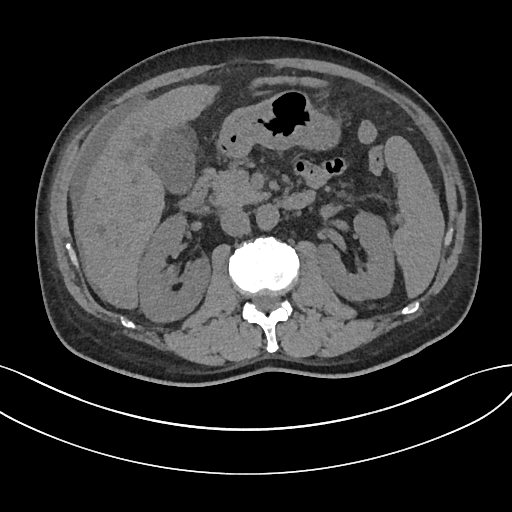
Computed tomography, abdomen — axial view — acquired on SOMATOM Force
Box edges are left/top/right/bottom in pixels. The annotated organs in this slice are: right kidney at left=138, top=213, right=210, bottom=322, duodenum at left=179, top=172, right=315, bottom=212, aorta at left=256, top=205, right=279, bottom=230, stomach at left=216, top=90, right=340, bottom=157, inferior vena cava at left=219, top=206, right=249, bottom=236, spleen at left=385, top=136, right=444, bottom=297, gall bladder at left=151, top=128, right=195, bottom=193, pancreas at left=207, top=167, right=267, bottom=206, left kidney at left=317, top=212, right=394, bottom=300, liver at left=74, top=76, right=326, bottom=309.